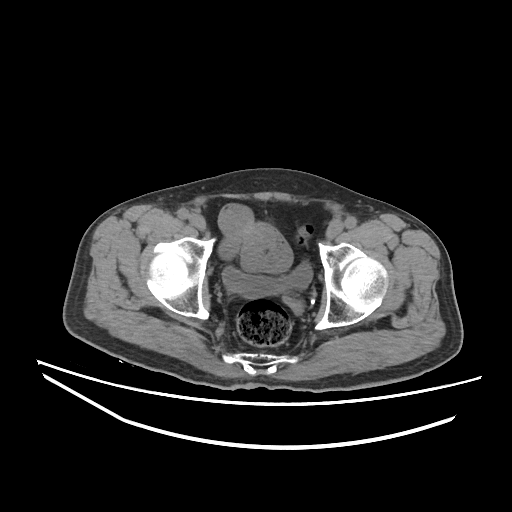 Computed tomography, abdomen · axial view · 512x512 px
Boxes: x1 y1 x2 y2 (pixel coords, space-separated). Labeled organs on this slice: bladder at 222 262 312 298.